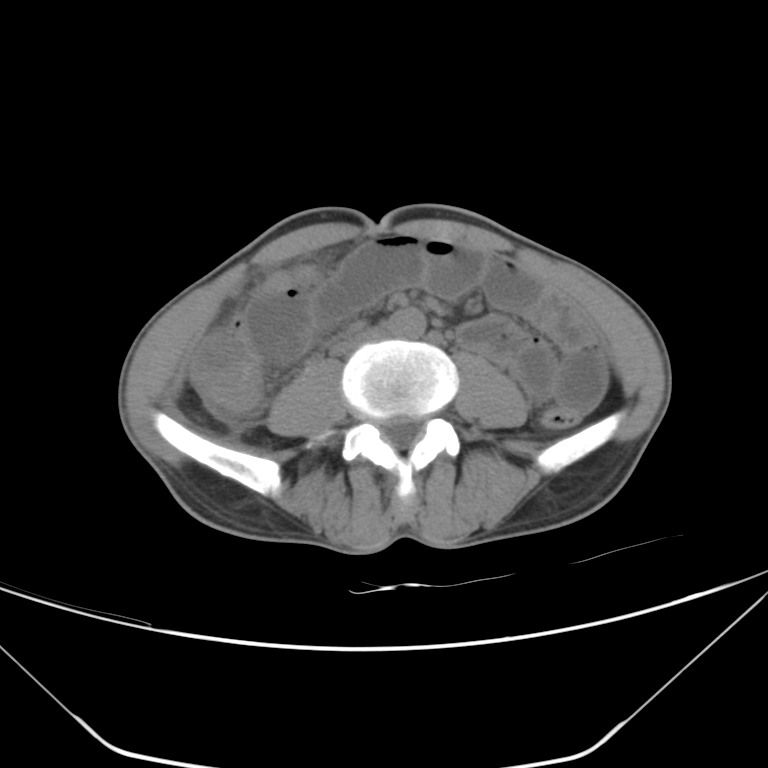

Computed tomography, abdomen — axial view — soft-tissue window — scan has 15 labeled organs (that count is for the whole scan; organs this slice misses have no box)
Boxes: x1:y1:x2:y2 in pixels.
aorta: 387:309:425:338
inferior vena cava: 330:329:386:356